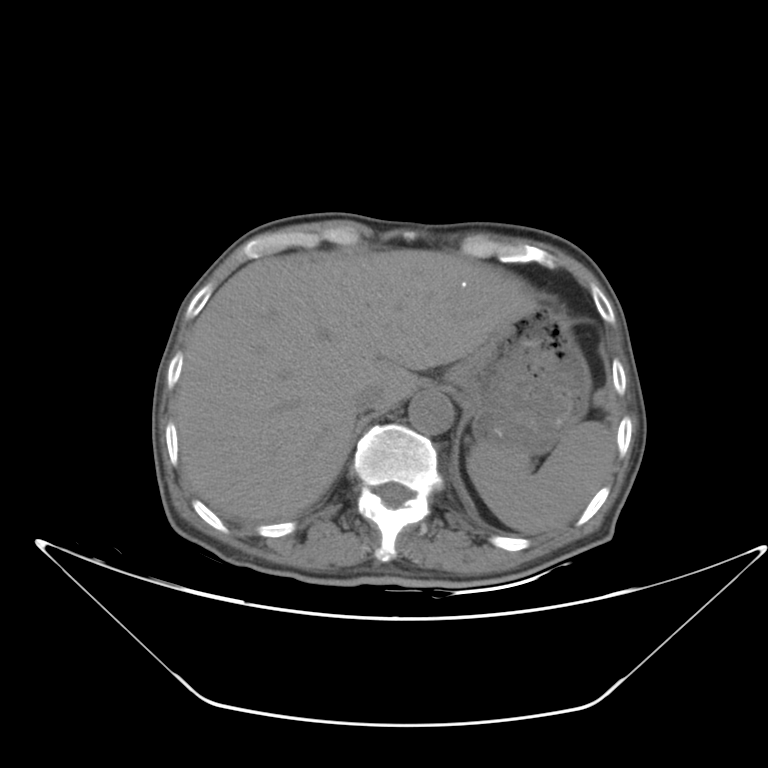
Computed tomography, abdomen. axial view. W/L 400/40 HU
Box edges are left/top/right/bottom in pixels.
Organ bounding boxes:
- spleen: left=466, top=422, right=614, bottom=534
- liver: left=175, top=251, right=535, bottom=518
- stomach: left=446, top=301, right=590, bottom=460
- aorta: left=409, top=390, right=456, bottom=434
- inferior vena cava: left=353, top=385, right=380, bottom=410